Computed tomography, abdomen. axial view. 15 organs annotated in this scan (a whole-scan count: organs this slice does not pass through have no box)
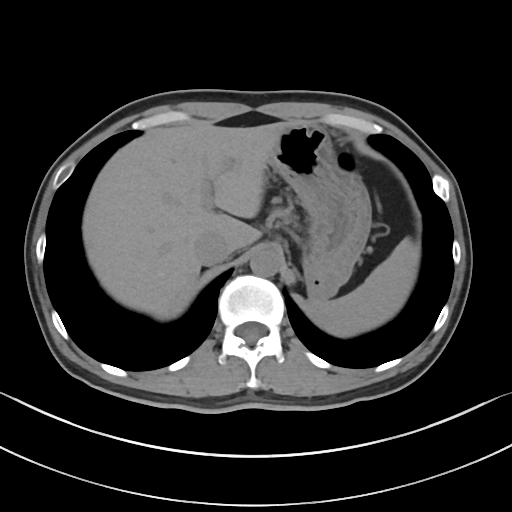

{"organs":{"liver":[82,121,294,319],"spleen":[307,238,419,337],"aorta":[249,250,279,276],"pancreas":[277,209,297,226],"inferior vena cava":[194,231,234,265],"stomach":[269,123,371,299]}}